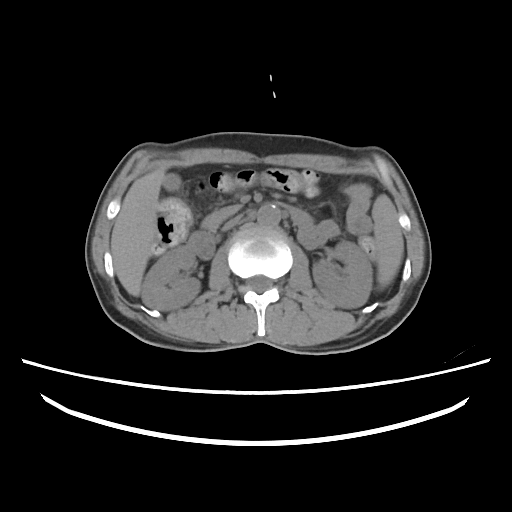
Computed tomography, abdomen — axial view — soft-tissue window — 54-year-old male patient
{"organs":{"inferior vena cava":[222,214,243,231],"spleen":[372,193,403,286],"left kidney":[312,243,371,307],"pancreas":[202,203,237,231],"aorta":[256,204,280,228],"liver":[110,168,162,296],"right kidney":[141,247,201,309],"gall bladder":[164,175,180,191],"duodenum":[188,201,313,259]}}